CT abdomen — axial view — abdomen soft-tissue window — 768x768 px — Brilliance16 scanner — scan has 15 labeled organs (counted over the whole 3D scan, not this slice; an organ is boxed only where this slice passes through it)
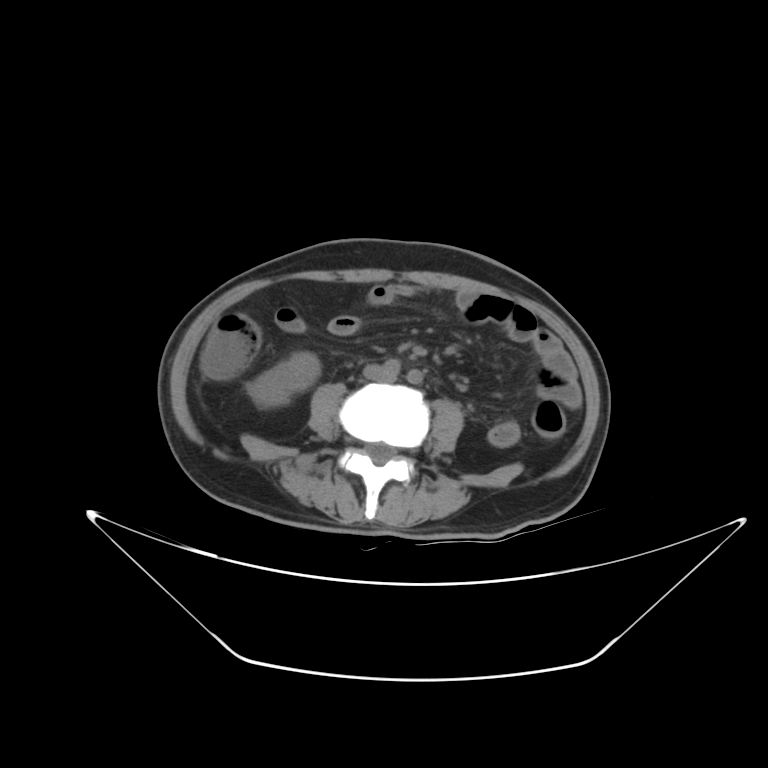

Bounding boxes as [x1, y1, x2, y2] in pixel coordinates.
right kidney: [249, 352, 320, 407]
inferior vena cava: [380, 370, 390, 378]